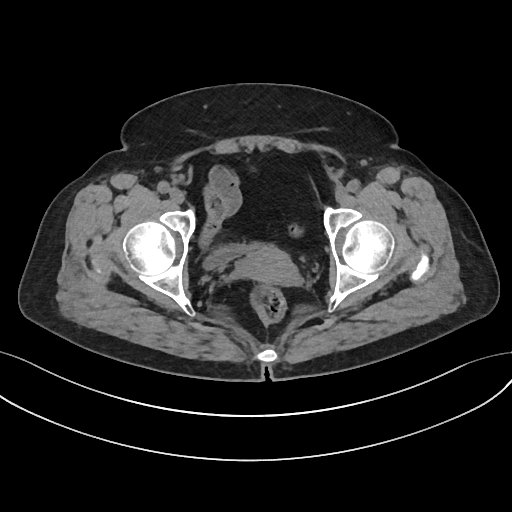 CT, abdomen/pelvis; axial view; soft-tissue window; 512x512 px; 15 organs annotated in this scan (counted over the whole 3D scan, not this slice; an organ is boxed only where this slice passes through it)
<organs><organ name="bladder" x1="203" y1="244" x2="262" y2="270"/><organ name="prostate/uterus" x1="239" y1="246" x2="297" y2="284"/></organs>